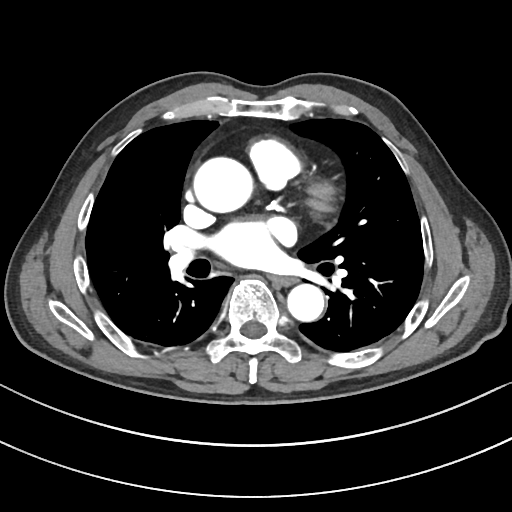

CT of the abdomen reaching into the lower chest, slice just above the liver and spleen · axial view · soft-tissue window, W/L 400/40 · 512x512 px
The heart and lungs are never labeled in this dataset, so they have no box on this slice. Boxes are (x1, y1, x2, y2) in pixels. The annotated organs in this slice are: aorta at (191, 157, 255, 212), aorta at (287, 283, 324, 321), esophagus at (273, 277, 296, 285).